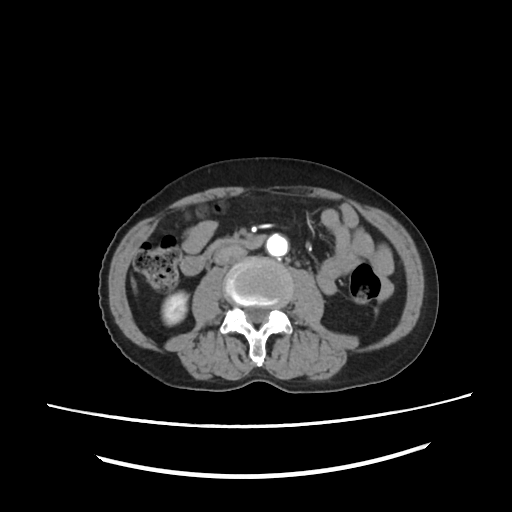 CT abdomen. axial view. abdomen soft-tissue window. 512x512 px. 15 organs annotated in this scan (that count is for the whole scan; organs this slice misses have no box)
Boxes: x1 y1 x2 y2 (pixel coords, space-separated). 4 labeled organs on this slice — right kidney at 161 290 188 325; aorta at 266 234 288 256; inferior vena cava at 214 246 246 264; duodenum at 180 235 266 274.